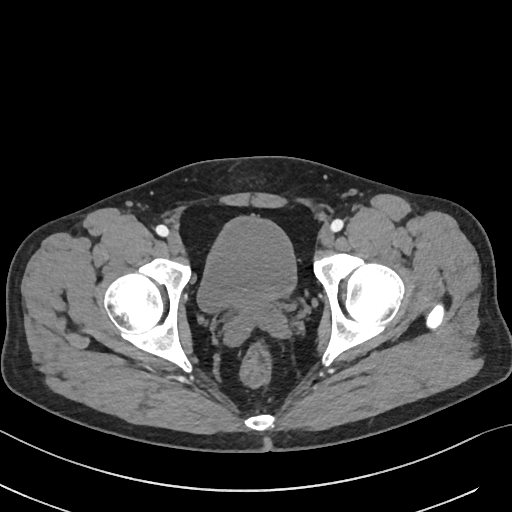 Abdominal CT; axial view; abdomen soft-tissue window; 512x512 px; acquired on SOMATOM Force
One row per box, in pixels: columns x1 and y1 give the top-left corner, x2 and y2 the bottom-right.
| organ | x1 | y1 | x2 | y2 |
|---|---|---|---|---|
| bladder | 198 | 215 | 296 | 314 |